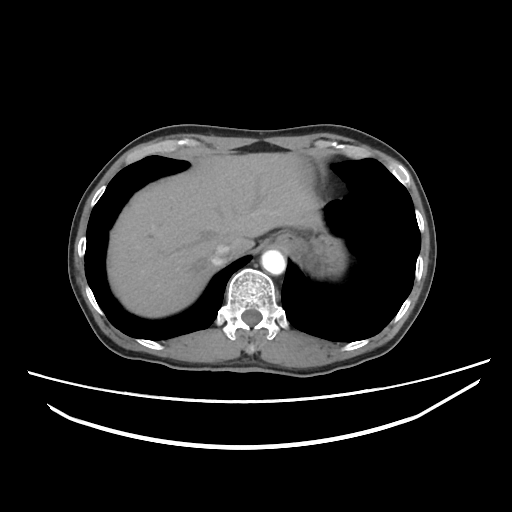

CT abdomen — axial view — soft-tissue window (W 400 / L 40) — 512x512 px — 63-year-old male patient — 13 organs annotated in this scan (counted over the whole 3D scan, not this slice; an organ is boxed only where this slice passes through it)
Coordinates as <box>x1,y1,x2,y2</box> in pixels.
Organ bounding boxes:
- esophagus: <box>275,234,288,246</box>
- liver: <box>108,152,321,317</box>
- stomach: <box>283,234,345,275</box>
- aorta: <box>261,249,285,274</box>
- inferior vena cava: <box>212,242,231,265</box>